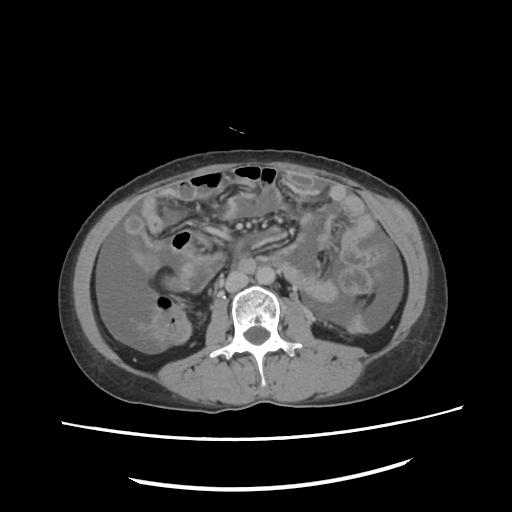 Computed tomography, abdomen · axial view · 512x512 px
Bounding boxes in pixels, one row per box: x1, y1 is the top-left corner and x2, y2 the bottom-right.
| organ | x1 | y1 | x2 | y2 |
|---|---|---|---|---|
| aorta | 257 | 265 | 275 | 285 |
| inferior vena cava | 224 | 273 | 248 | 291 |